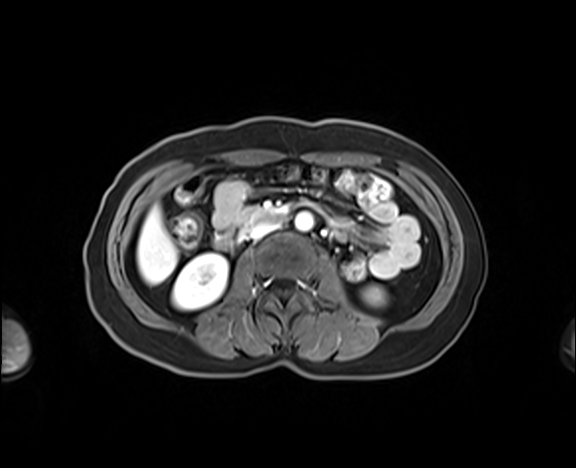
MRI, abdomen · axial plane, index 16 · 576x468 px
{"organs":{"right kidney":[173,253,228,309],"left kidney":[366,288,382,303],"liver":[137,205,177,283],"aorta":[295,211,313,230],"inferior vena cava":[249,221,278,238],"pancreas":[242,210,246,215],"duodenum":[217,207,280,247]}}